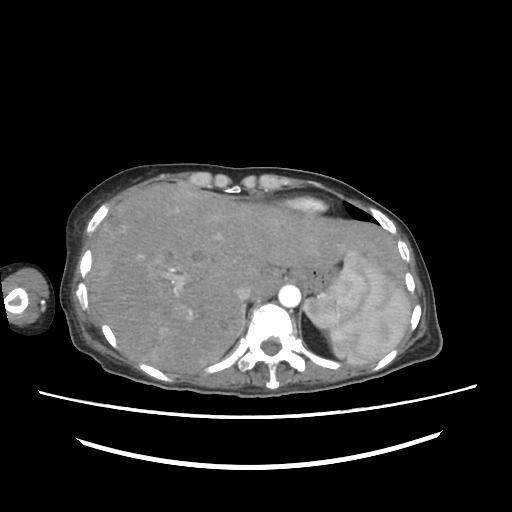
Abdominal CT · axial view · 512x512 px · 48-year-old female patient
One row per box, in pixels: columns x1 and y1 give the top-left corner, x2 and y2 the bottom-right.
| organ | x1 | y1 | x2 | y2 |
|---|---|---|---|---|
| spleen | 304 | 250 | 410 | 364 |
| liver | 89 | 183 | 406 | 373 |
| stomach | 288 | 263 | 341 | 295 |
| aorta | 278 | 285 | 300 | 307 |
| inferior vena cava | 234 | 285 | 251 | 302 |